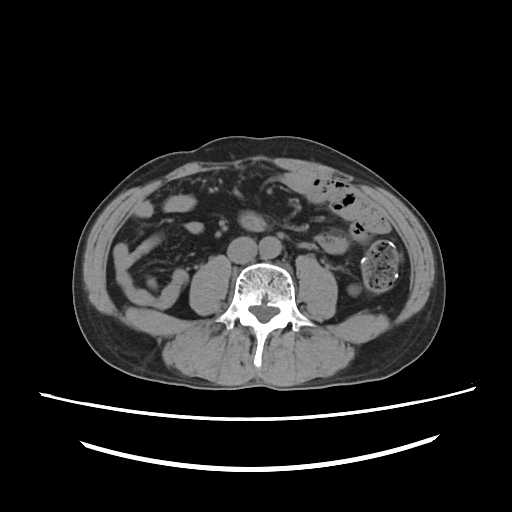 CT, abdomen/pelvis — axial plane, index 47 — 55-year-old male patient — scan has 15 labeled organs (counted over the whole 3D scan, not this slice; an organ is boxed only where this slice passes through it)
One row per box, in pixels: columns x1 and y1 give the top-left corner, x2 and y2 the bottom-right.
| organ | x1 | y1 | x2 | y2 |
|---|---|---|---|---|
| left kidney | 347 | 286 | 358 | 294 |
| aorta | 257 | 236 | 281 | 260 |
| inferior vena cava | 228 | 236 | 257 | 262 |